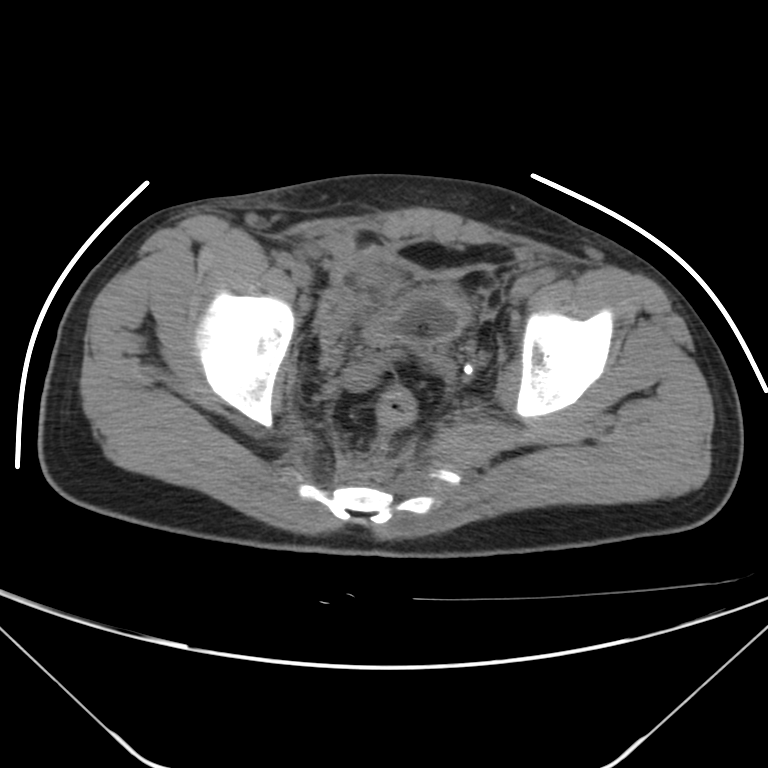
Computed tomography, abdomen. Axial slice 20/100. soft-tissue window (W 400 / L 40). 768x768 px. 24-year-old male patient. Brilliance16 scanner. scan has 15 labeled organs (a whole-scan count: organs this slice does not pass through have no box)
Box edges are left/top/right/bottom in pixels.
Organ bounding boxes:
- bladder: left=365, top=285, right=468, bottom=344